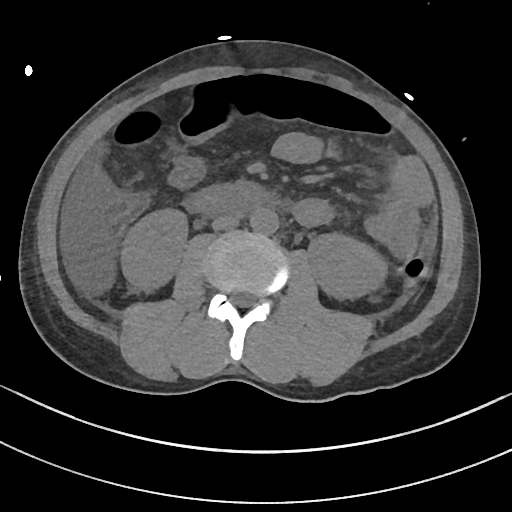

CT abdomen · axial view · soft-tissue window · acquired on SOMATOM Force
Bounding boxes in pixels, one row per box: x1, y1 is the top-left corner and x2, y2 the bottom-right.
| organ | x1 | y1 | x2 | y2 |
|---|---|---|---|---|
| right kidney | 121 | 209 | 187 | 291 |
| left kidney | 308 | 233 | 387 | 299 |
| aorta | 250 | 207 | 278 | 234 |
| inferior vena cava | 212 | 215 | 239 | 230 |
| duodenum | 184 | 180 | 268 | 216 |